CT, abdomen/pelvis; axial plane, index 142; 512x512 px
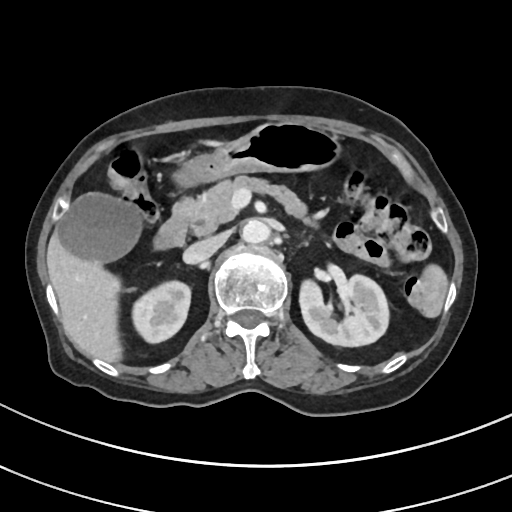

{"organs":{"right kidney":[132,281,189,342],"left kidney":[298,275,387,347],"gall bladder":[58,193,144,260],"liver":[46,140,225,364],"stomach":[176,121,341,189],"aorta":[242,220,274,245],"inferior vena cava":[183,235,225,264],"pancreas":[175,175,322,233],"duodenum":[153,211,189,249]}}